CT, abdomen/pelvis. axial view. 62-year-old female patient
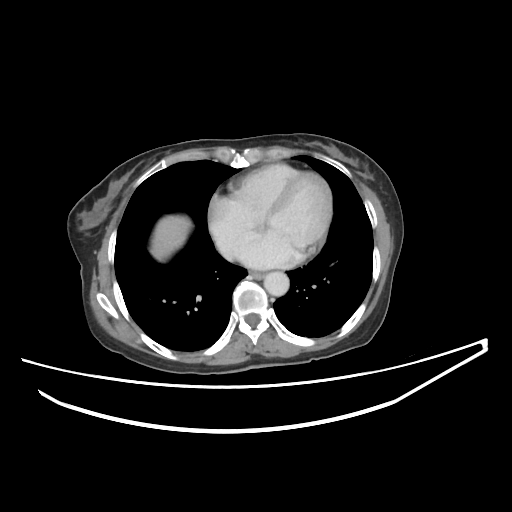
Boxes: x1 y1 x2 y2 (pixel coords, space-separated).
Organ bounding boxes:
- inferior vena cava: 221 247 231 256
- esophagus: 249 271 264 279
- liver: 150 215 190 260
- aorta: 264 271 289 296